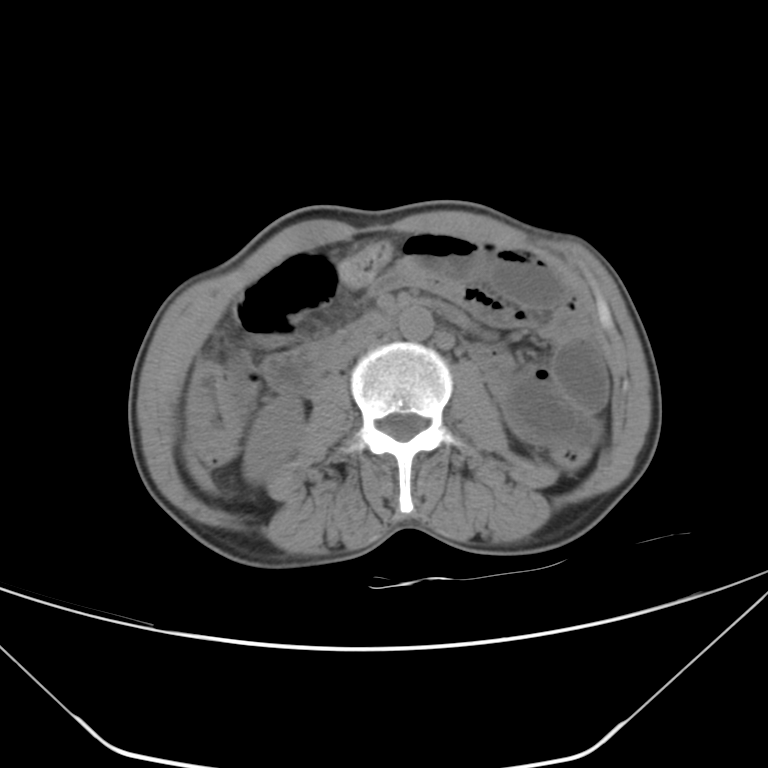

CT, abdomen/pelvis; axial view; soft-tissue window; 15 organs annotated in this scan (that count is for the whole scan; organs this slice misses have no box)
<organs><organ name="right kidney" x1="243" y1="394" x2="304" y2="484"/><organ name="liver" x1="184" y1="444" x2="215" y2="492"/><organ name="aorta" x1="399" y1="307" x2="433" y2="339"/><organ name="inferior vena cava" x1="330" y1="330" x2="381" y2="370"/><organ name="duodenum" x1="265" y1="314" x2="390" y2="393"/></organs>